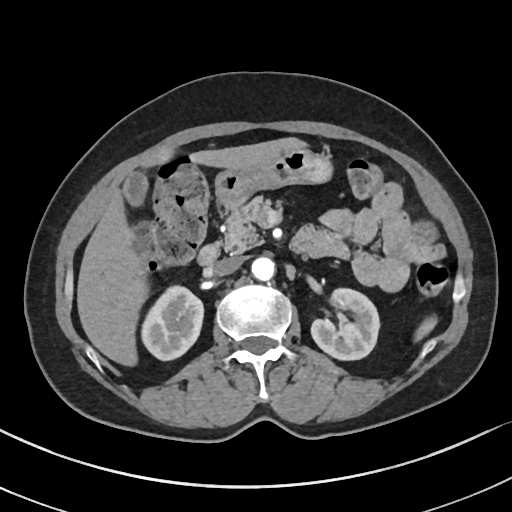 Abdominal CT — axial view — W/L 400/40 HU — 15 organs annotated in this scan (a whole-scan count: organs this slice does not pass through have no box)
Organ boxes in pixel coordinates; each row gives the top-left (x1, y1) and bottom-right (x2, y2) corners.
| organ | x1 | y1 | x2 | y2 |
|---|---|---|---|---|
| spleen | 414 | 316 | 436 | 340 |
| right kidney | 141 | 285 | 203 | 360 |
| left kidney | 311 | 288 | 379 | 360 |
| gall bladder | 123 | 172 | 147 | 205 |
| liver | 77 | 137 | 306 | 366 |
| stomach | 215 | 148 | 332 | 207 |
| aorta | 251 | 257 | 275 | 280 |
| inferior vena cava | 212 | 256 | 243 | 275 |
| pancreas | 223 | 196 | 270 | 252 |
| duodenum | 198 | 226 | 351 | 265 |